Abdominal CT — axial view — 512x512 px — 15 organs annotated in this scan (counted over the whole 3D scan, not this slice; an organ is boxed only where this slice passes through it)
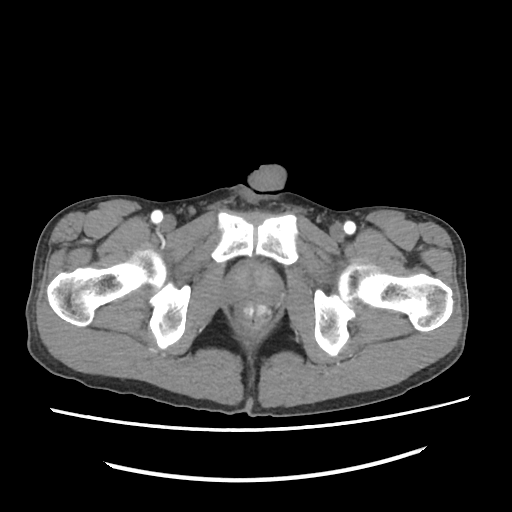
{"organs":{"prostate/uterus":[225,260,282,305]}}